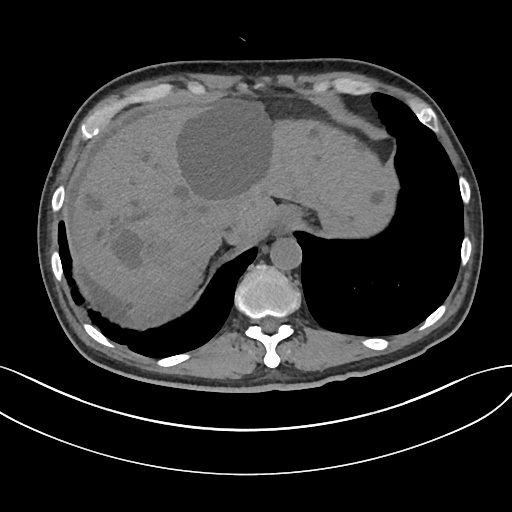

Computed tomography, abdomen. axial view. 15 organs annotated in this scan (a whole-scan count: organs this slice does not pass through have no box)
Coordinates as <box>x1,y1,x2,y2</box> in pixels.
Organ bounding boxes:
- esophagus: <box>276,208,296,233</box>
- liver: <box>73,104,394,326</box>
- aorta: <box>270,237,301,270</box>
- inferior vena cava: <box>216,208,241,230</box>